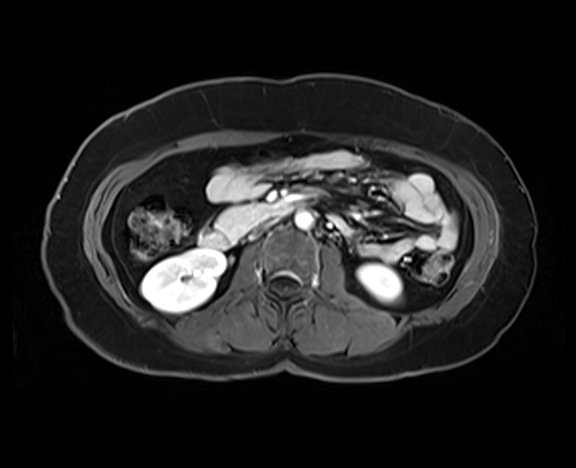

Magnetic resonance imaging, abdomen · axial view
Boxes are (x1, y1, x2, y2) in pixels.
Organ bounding boxes:
- right kidney: (141, 249, 225, 312)
- left kidney: (358, 264, 401, 301)
- aorta: (295, 211, 313, 228)
- inferior vena cava: (255, 220, 274, 232)
- pancreas: (217, 204, 268, 232)
- duodenum: (200, 203, 300, 248)